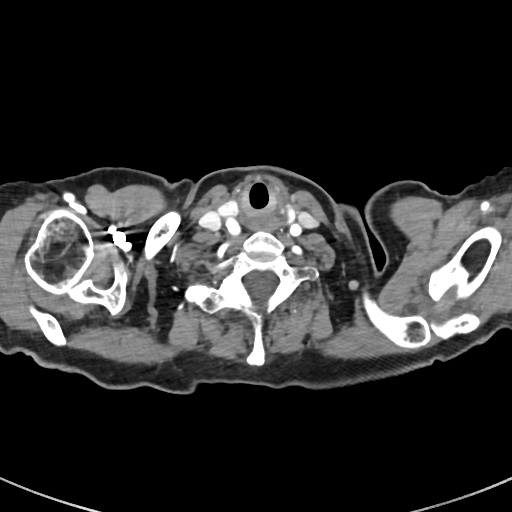

Abdominal CT reaching into the chest; this slice is in the chest. axial view. soft-tissue window. 512x512 px
At this level of the chest this dataset labels only the esophagus and the aorta, and each is boxed only where it is labeled; the heart and lungs are never labeled.
{"organs":{"esophagus":[248,216,277,231]}}